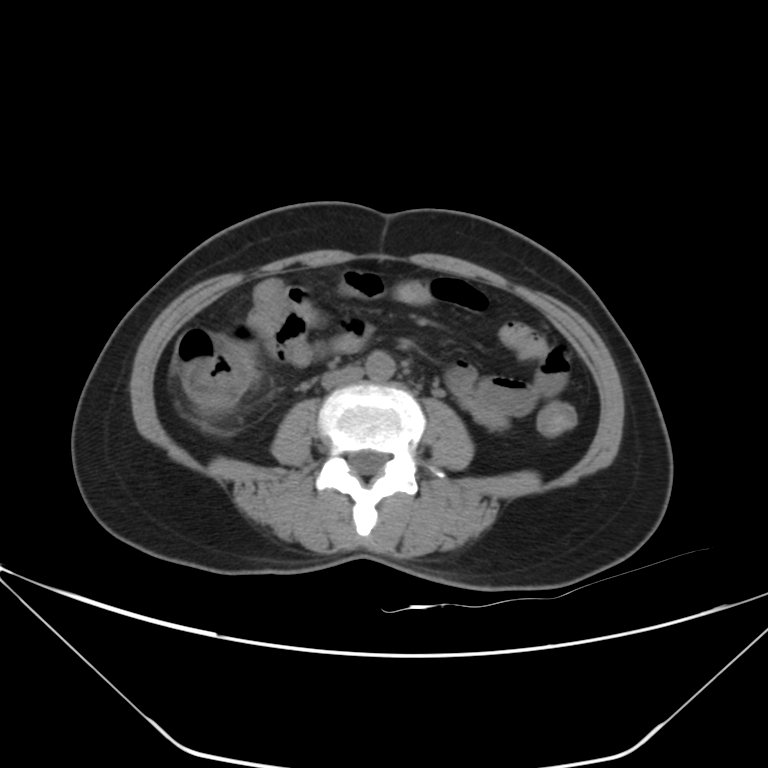

CT abdomen; Axial slice 42/90; 768x768 px; acquired on Brilliance16
{"organs":{"aorta":[365,351,396,381],"inferior vena cava":[321,365,363,389]}}